Computed tomography, abdomen; axial plane, index 8; W/L 400/40 HU; acquired on SOMATOM Force; scan has 15 labeled organs (a whole-scan count: organs this slice does not pass through have no box)
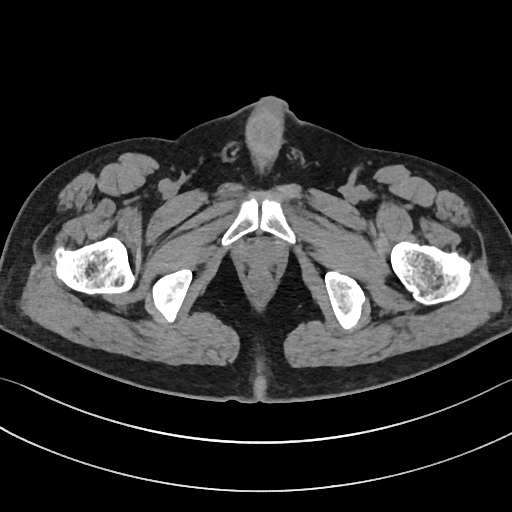

Coordinates as <box>x1,y1,x2,y2</box> in pixels.
Organ bounding boxes:
- prostate/uterus: <box>245,240,274,267</box>